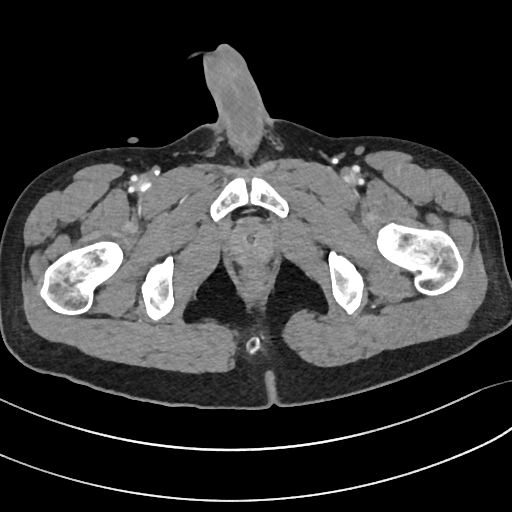
CT abdomen; axial plane, index 9; abdomen soft-tissue window; acquired on SOMATOM Force
Bounding boxes in pixels, one row per box: x1, y1 is the top-left corner and x2, y2 the bottom-right.
| organ | x1 | y1 | x2 | y2 |
|---|---|---|---|---|
| prostate/uterus | 229 | 223 | 273 | 264 |